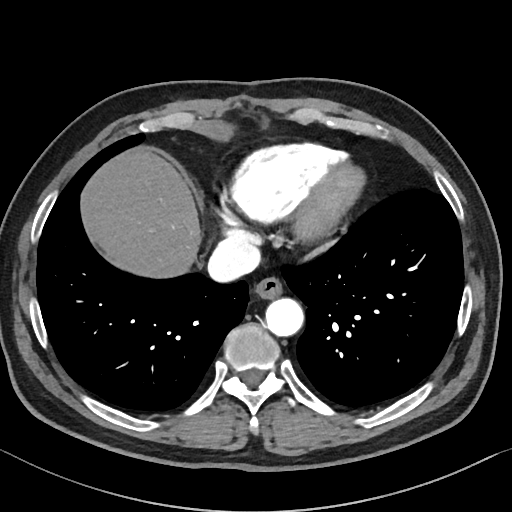 CT abdomen · axial view · 512x512 px · SOMATOM Force scanner · scan has 15 labeled organs (a whole-scan count: organs this slice does not pass through have no box)
Coordinates as <box>x1,y1,x2,y2</box> in pixels.
aorta: <box>266,298,303,336</box>
esophagus: <box>254,278,282,299</box>
inferior vena cava: <box>208,239,260,280</box>
liver: <box>82,149,201,277</box>